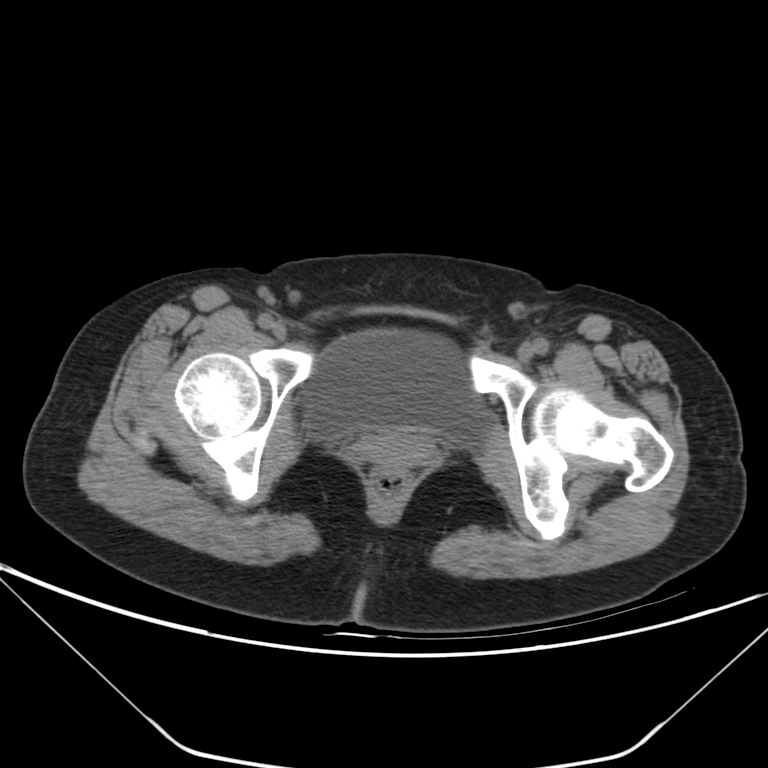

Abdominal CT — Axial slice 6/90
Boxes are (x1, y1, x2, y2) in pixels.
Organ bounding boxes:
- bladder: (307, 330, 482, 444)
- prostate/uterus: (360, 433, 432, 466)